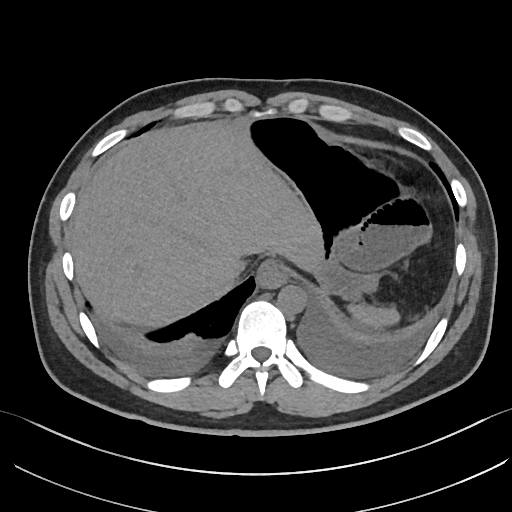
CT, abdomen/pelvis — Axial slice 204/234 — soft-tissue window (W 400 / L 40)
Coordinates as <box>x1,y1,x2,y2</box> in pixels. Labeled organs on this slice: spleen at <box>345,302,402,327</box>, esophagus at <box>257,260,286,288</box>, liver at <box>69,120,320,328</box>, stomach at <box>243,116,407,300</box>, aorta at <box>277,285,306,315</box>, inferior vena cava at <box>216,262,244,286</box>.